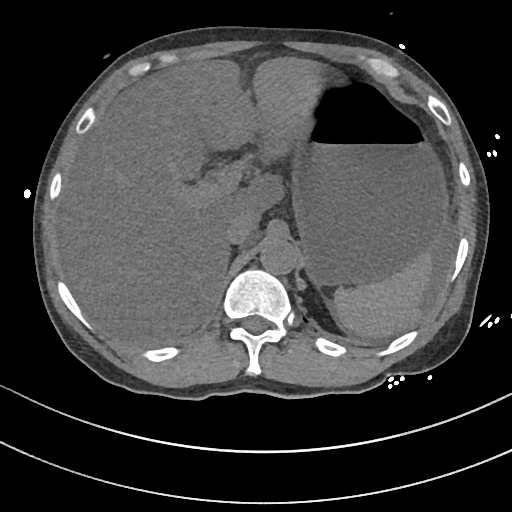
Abdominal CT. axial view. soft-tissue window
<organs><organ name="spleen" x1="333" y1="252" x2="432" y2="338"/><organ name="liver" x1="59" y1="56" x2="322" y2="345"/><organ name="stomach" x1="292" y1="85" x2="448" y2="286"/><organ name="aorta" x1="260" y1="238" x2="298" y2="274"/><organ name="inferior vena cava" x1="224" y1="216" x2="251" y2="244"/></organs>